Computed tomography, abdomen — axial plane, index 268 — abdomen soft-tissue window — 512x512 px
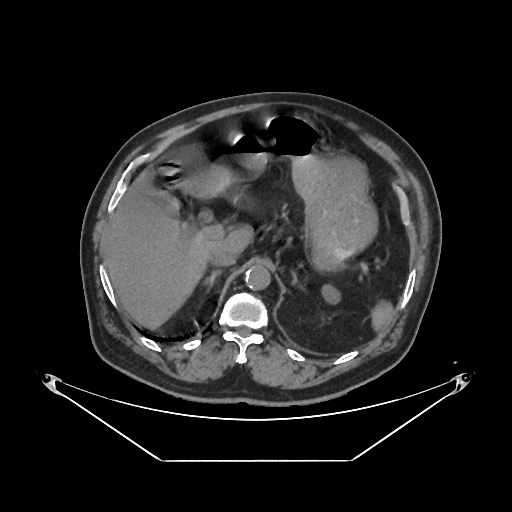

Bounding boxes as [x1, y1, x2, y2] in pixel coordinates. 10 labeled organs on this slice — spleen at [372, 303, 392, 328]; left kidney at [321, 286, 341, 303]; gall bladder at [137, 182, 163, 209]; liver at [104, 172, 252, 328]; stomach at [202, 113, 375, 270]; aorta at [244, 265, 270, 290]; inferior vena cava at [208, 252, 236, 265]; right adrenal gland at [201, 269, 223, 284]; left adrenal gland at [290, 271, 306, 283]; duodenum at [204, 193, 219, 204].